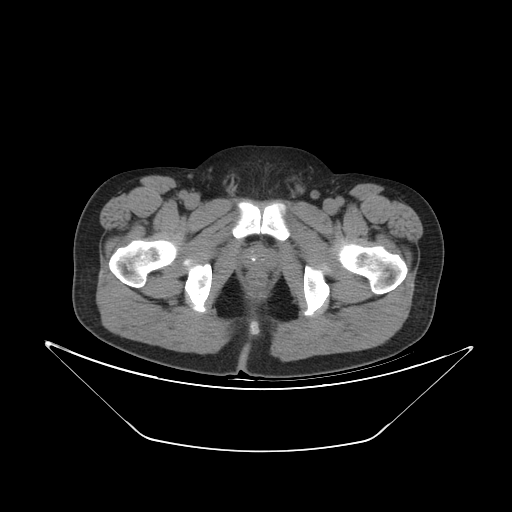
Computed tomography, abdomen; axial view; abdomen soft-tissue window; 15 organs annotated in this scan (that count is for the whole scan; organs this slice misses have no box)
{"organs":{"prostate/uterus":[243,245,275,271]}}